Computed tomography, abdomen; axial view; 512x512 px; scan has 15 labeled organs (that count is for the whole scan; organs this slice misses have no box)
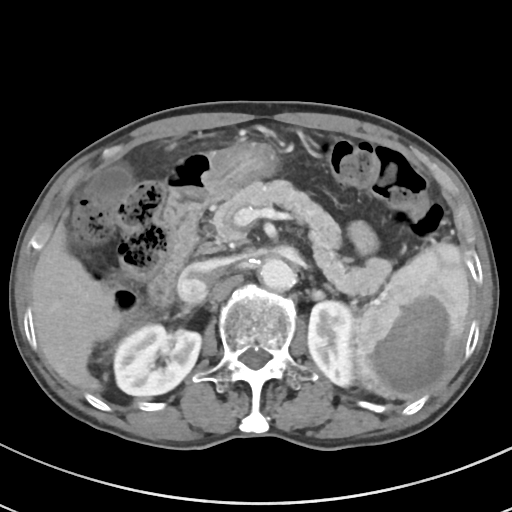 <organs><organ name="liver" x1="31" y1="221" x2="125" y2="391"/><organ name="right kidney" x1="113" y1="324" x2="201" y2="396"/><organ name="left adrenal gland" x1="324" y1="283" x2="335" y2="293"/><organ name="gall bladder" x1="86" y1="164" x2="132" y2="207"/><organ name="aorta" x1="259" y1="258" x2="295" y2="290"/><organ name="pancreas" x1="212" y1="180" x2="391" y2="295"/><organ name="inferior vena cava" x1="177" y1="260" x2="223" y2="304"/><organ name="duodenum" x1="148" y1="152" x2="210" y2="307"/><organ name="spleen" x1="353" y1="242" x2="470" y2="399"/><organ name="left kidney" x1="307" y1="301" x2="354" y2="386"/><organ name="stomach" x1="205" y1="141" x2="278" y2="200"/></organs>